Computed tomography, abdomen · axial plane, index 19 · 68-year-old male patient · acquired on Aquilion ONE · 15 organs annotated in this scan (a whole-scan count: organs this slice does not pass through have no box)
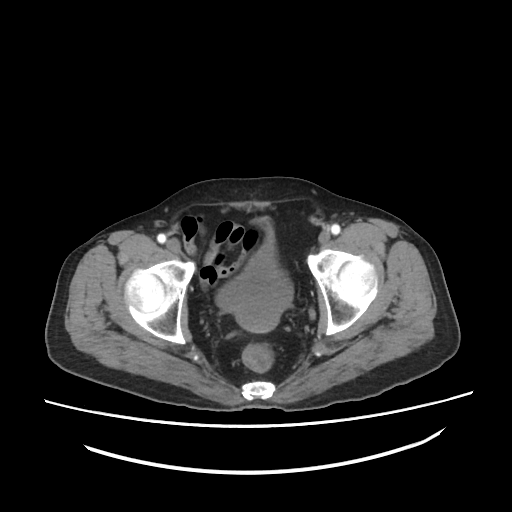
Boxes: x1 y1 x2 y2 (pixel coords, space-separated). 1 labeled organ on this slice — bladder at 216 221 293 332.